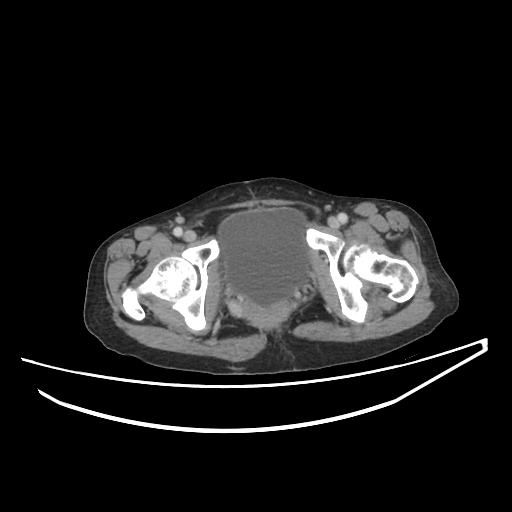
CT abdomen · axial plane, index 11 · soft-tissue window · 62-year-old female patient
Coordinates as <box>x1,y1,x2,y2</box> in pixels.
bladder: <box>219,208,308,306</box>